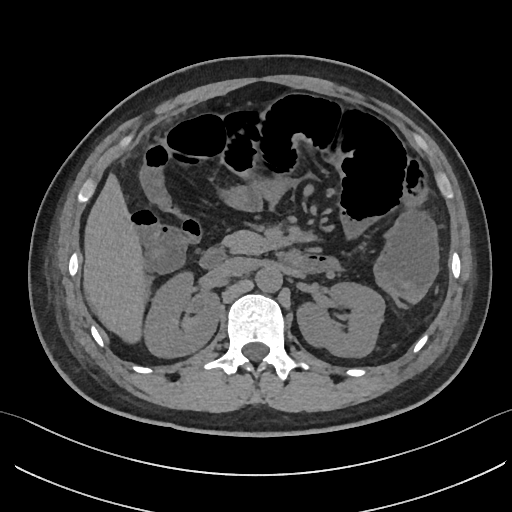
Computed tomography, abdomen — axial view — SOMATOM Force scanner — scan has 15 labeled organs (counted over the whole 3D scan, not this slice; an organ is boxed only where this slice passes through it)
Each box given as x1,y1,x2,y2.
inferior vena cava: x1=218, y1=257, x2=254, y2=276
pancreas: x1=223, y1=231, x2=282, y2=254
left kidney: x1=297, y1=282, x2=385, y2=357
duodenum: x1=199, y1=246, x2=302, y2=268
aorta: x1=254, y1=266, x2=282, y2=292
right kidney: x1=143, y1=273, x2=219, y2=356
liver: x1=84, y1=176, x2=147, y2=339